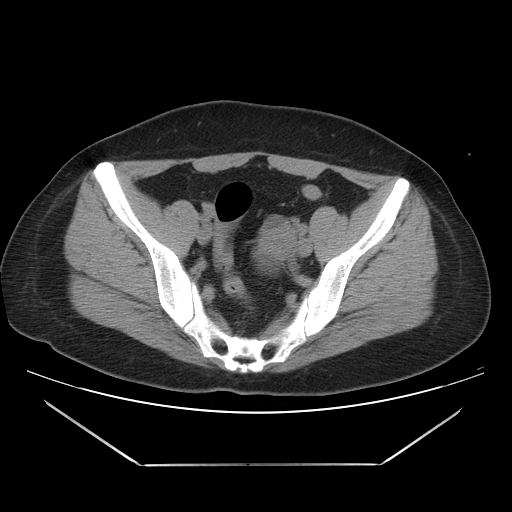
Abdominal CT. Axial slice 24/93. W/L 400/40 HU. acquired on SOMATOM Force
Box edges are left/top/right/bottom in pixels.
Organ bounding boxes:
- prostate/uterus: left=261, top=228, right=294, bottom=261